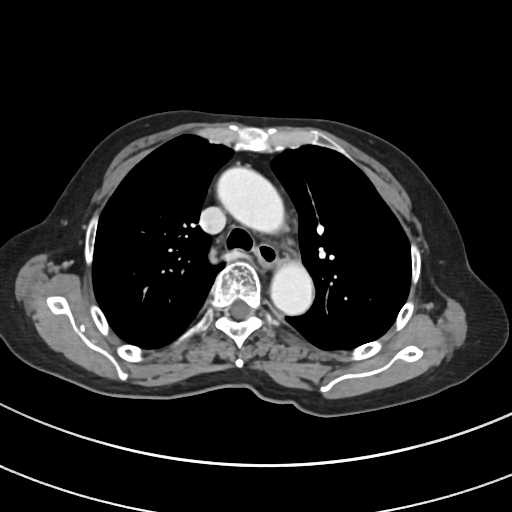
Abdominal CT reaching into the chest; this slice is in the chest. axial view. soft-tissue window (W 400 / L 40). 512x512 px. scan has 15 labeled organs (that count is for the whole scan; organs this slice misses have no box)
On a slice this high in the chest, this dataset labels only the esophagus and the aorta, and each is boxed only where it is labeled; the heart, lungs and other chest structures are not labeled. Each box given as x1,y1,x2,y2. 2 labeled organs on this slice — aorta at x1=216, y1=166, x2=282, y2=229; aorta at x1=270, y1=265, x2=313, y2=316; esophagus at x1=256, y1=244, x2=279, y2=270.